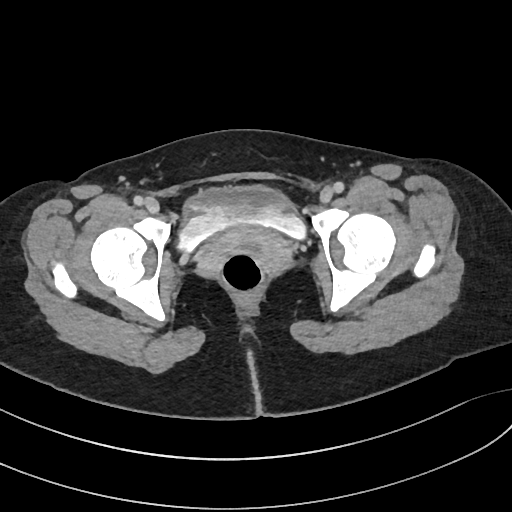
CT abdomen. Axial slice 33/219. 15 organs annotated in this scan (that count is for the whole scan; organs this slice misses have no box)
<organs><organ name="bladder" x1="175" y1="186" x2="307" y2="254"/></organs>